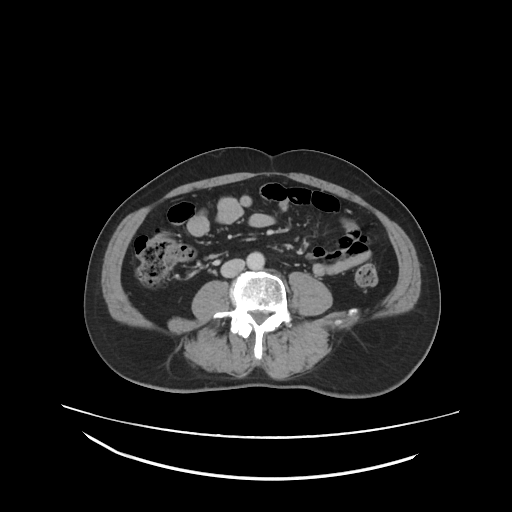 CT abdomen. axial plane, index 39. W/L 400/40 HU. 512x512 px. 66-year-old male patient
Bounding boxes as [x1, y1, x2, y2] in pixel coordinates.
Organ bounding boxes:
- aorta: [247, 254, 265, 269]
- inferior vena cava: [222, 259, 244, 277]